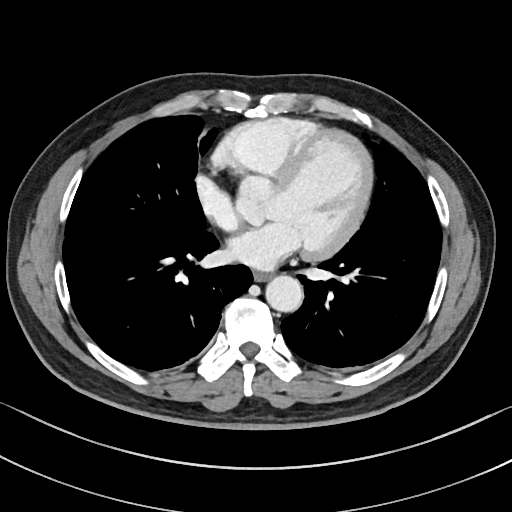 Abdominal CT; this slice is in the lower chest, just above the liver. Axial slice 227/232. 512x512 px
The heart and lungs are never labeled in this dataset, so they have no box on this slice.
{"organs":{"esophagus":[254,271,271,281],"aorta":[265,274,302,311]}}